CT, abdomen/pelvis. Axial slice 67/84. soft-tissue window (W 400 / L 40). 72-year-old male patient
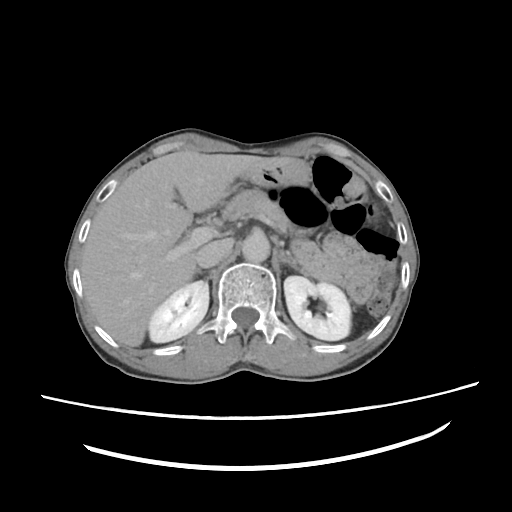 Bounding boxes as [x1, y1, x2, y2] in pixel coordinates. 9 labeled organs on this slice — right kidney at [149, 280, 208, 343]; left kidney at [283, 277, 351, 339]; liver at [80, 152, 265, 348]; stomach at [246, 156, 313, 187]; aorta at [241, 232, 269, 262]; inferior vena cava at [197, 240, 229, 268]; pancreas at [222, 188, 288, 230]; right adrenal gland at [195, 269, 208, 279]; left adrenal gland at [278, 249, 302, 272].